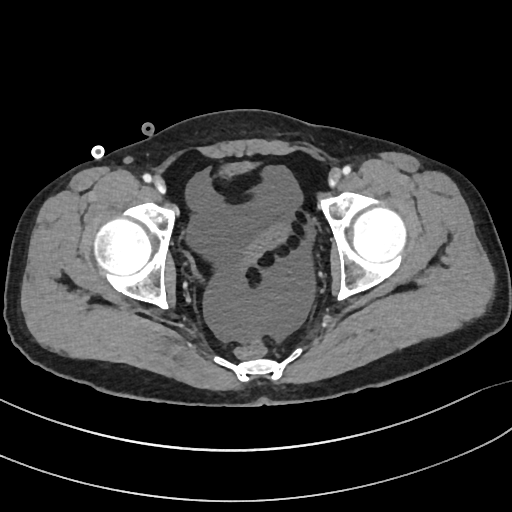 Computed tomography, abdomen · axial view · soft-tissue window · SOMATOM Force scanner · scan has 15 labeled organs (that count is for the whole scan; organs this slice misses have no box)
Box edges are left/top/right/bottom in pixels.
Organ bounding boxes:
- bladder: left=224, top=162, right=252, bottom=176